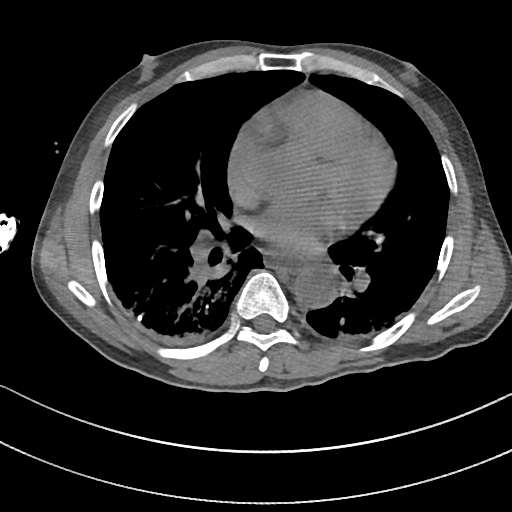

CT of the abdomen reaching into the lower chest, slice just above the liver and spleen · axial view · soft-tissue window
Of the structures in the chest, this dataset labels only the esophagus, the aorta and the inferior vena cava; the heart and lungs have no label.
Bounding boxes as [x1, y1, x2, y2] in pixel coordinates.
esophagus: [265, 254, 306, 272]
aorta: [293, 270, 333, 307]